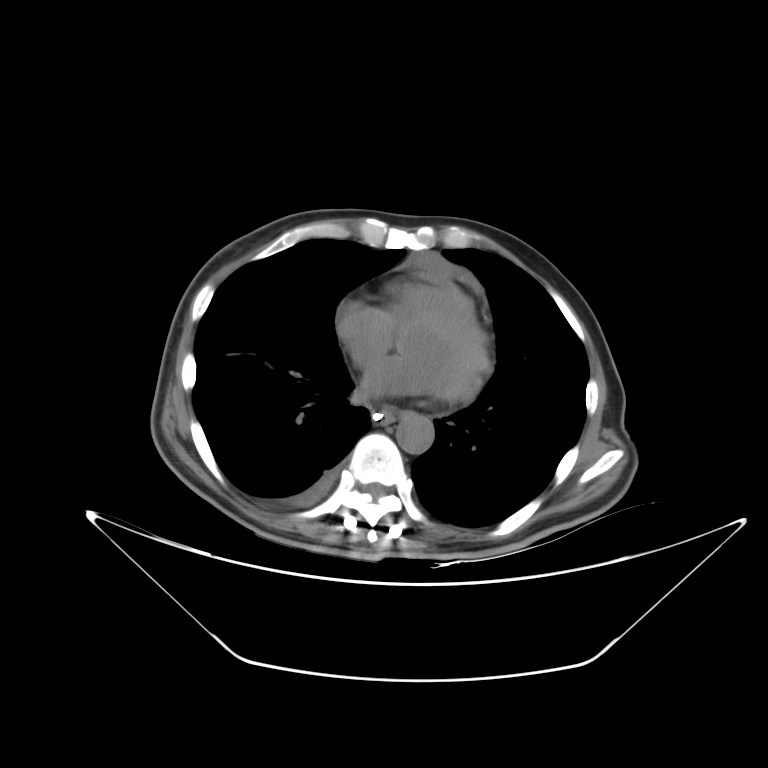
Abdominal CT; this slice is in the lower chest, just above the liver · axial view · 768x768 px · acquired on Brilliance16 · scan has 15 labeled organs (a whole-scan count: organs this slice does not pass through have no box)
Of the structures in the chest, this dataset labels only the esophagus, the aorta and the inferior vena cava; the heart and lungs have no label.
Bounding boxes in pixels, one row per box: x1, y1 is the top-left corner and x2, y2 the bottom-right.
| organ | x1 | y1 | x2 | y2 |
|---|---|---|---|---|
| aorta | 396 | 413 | 434 | 453 |
| esophagus | 371 | 408 | 395 | 425 |